Chest-level slice from an abdominal CT that extends up into the chest · axial view · soft-tissue window (W 400 / L 40) · 512x512 px
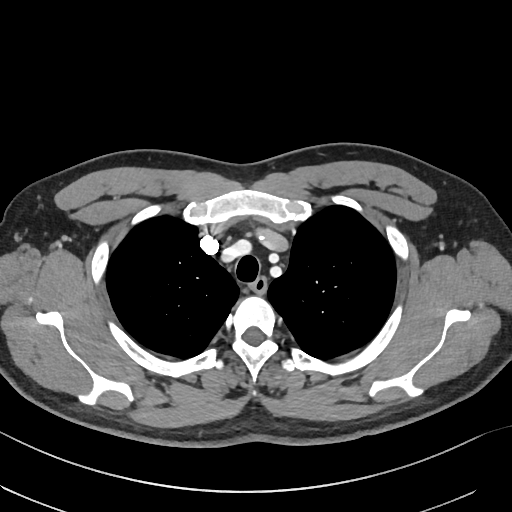 At this level of the chest this dataset labels only the esophagus and the aorta, and each is boxed only where it is labeled; the heart and lungs are never labeled.
Bounding boxes as [x1, y1, x2, y2] in pixel coordinates.
Organ bounding boxes:
- esophagus: [250, 276, 267, 292]